CT abdomen · axial plane, index 111 · abdomen soft-tissue window · 15 organs annotated in this scan (that count is for the whole scan; organs this slice misses have no box)
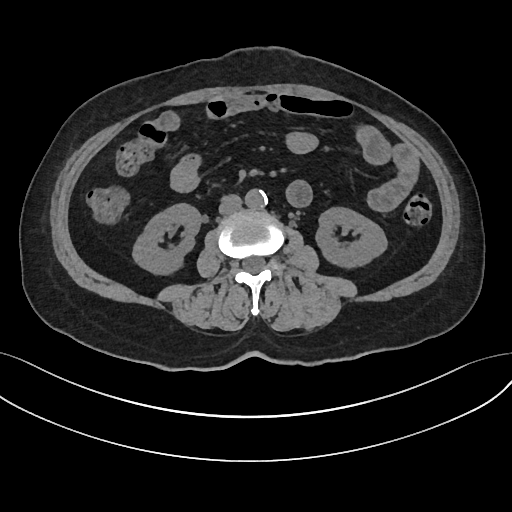
Coordinates as <box>x1,y1,x2,y2</box> in pixels. 4 labeled organs on this slice — right kidney at <box>133,203,200,272</box>; left kidney at <box>316,207,386,266</box>; aorta at <box>245,188,267,208</box>; inferior vena cava at <box>218,194,241,214</box>.